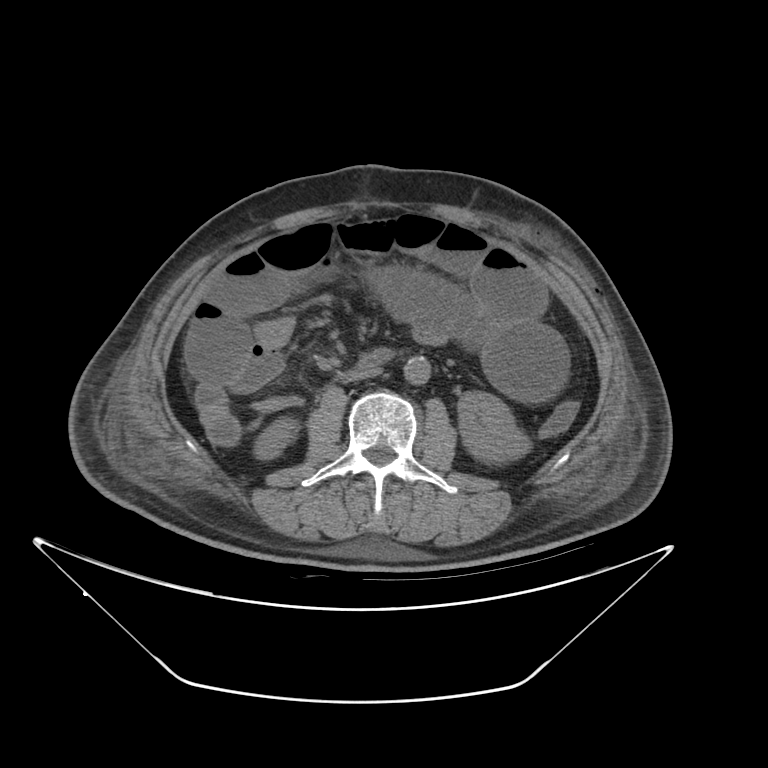 Abdominal CT — Axial slice 57/99 — 768x768 px
Coordinates as <box>x1,y1,x2,y2</box> in pixels. 5 labeled organs on this slice — right kidney at <box>255,419,296,460</box>; left kidney at <box>456,391,528,463</box>; aorta at <box>404,354,431,381</box>; inferior vena cava at <box>333,368,382,386</box>; duodenum at <box>356,349,394,369</box>.